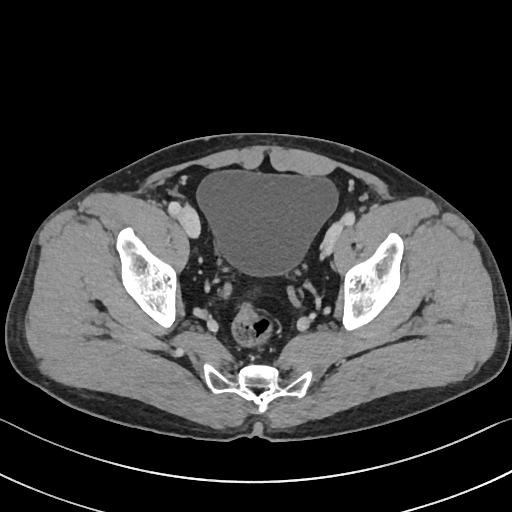 Computed tomography, abdomen — axial view — soft-tissue window — 512x512 px — scan has 15 labeled organs (a whole-scan count: organs this slice does not pass through have no box)
Boxes are (x1, y1, x2, y2) in pixels. Labeled organs on this slice: bladder at (197, 171, 337, 276).